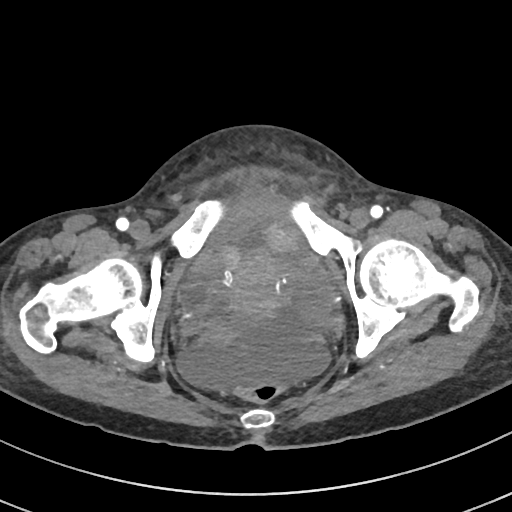
CT, abdomen/pelvis. axial plane, index 22. acquired on SOMATOM Force
<organs><organ name="bladder" x1="193" y1="270" x2="324" y2="366"/><organ name="prostate/uterus" x1="231" y1="244" x2="279" y2="312"/></organs>